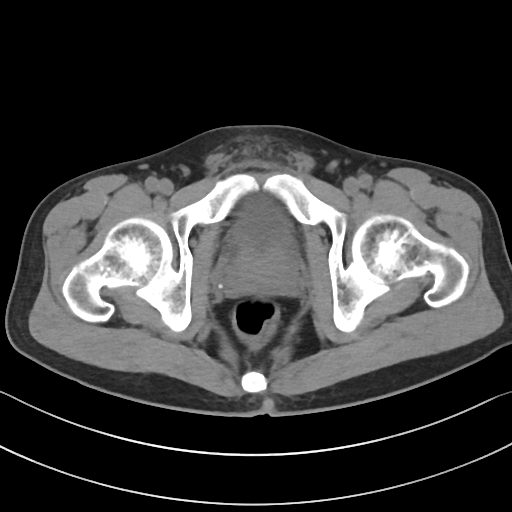

CT, abdomen/pelvis · axial view · abdomen soft-tissue window
Bounding boxes as [x1, y1, x2, y2] in pixel coordinates.
Organ bounding boxes:
- bladder: [227, 199, 290, 249]
- prostate/uterus: [227, 247, 296, 294]